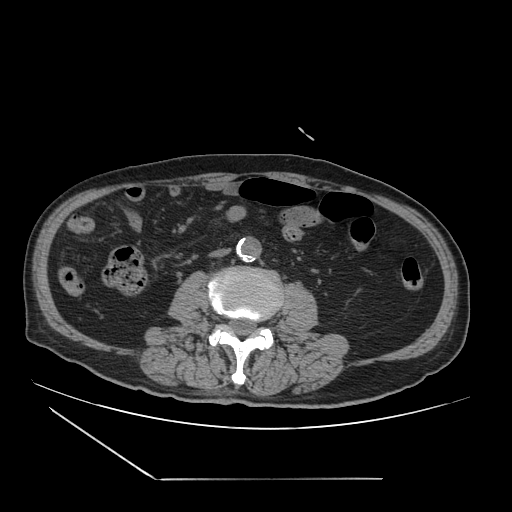
CT, abdomen/pelvis; axial view; 512x512 px; SOMATOM Force scanner
One row per box, in pixels: columns x1 and y1 give the top-left corner, x2 and y2 the bottom-right.
| organ | x1 | y1 | x2 | y2 |
|---|---|---|---|---|
| inferior vena cava | 210 | 249 | 229 | 258 |
| aorta | 236 | 237 | 261 | 261 |